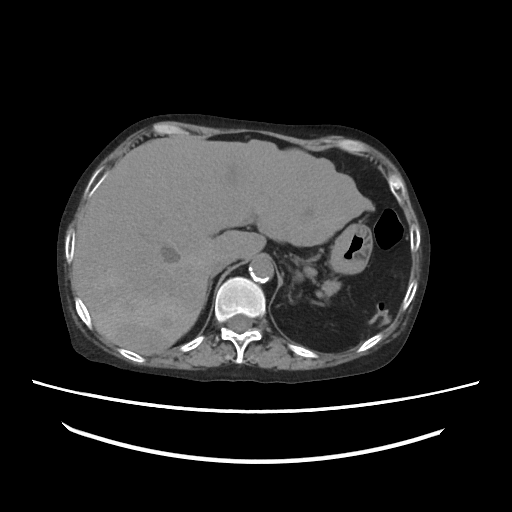

CT, abdomen/pelvis. axial plane, index 69. Aquilion ONE scanner. 15 organs annotated in this scan (a whole-scan count: organs this slice does not pass through have no box)
Coordinates as <box>x1,y1,x2,y2</box> in pixels. Labeled organs on this slice: liver at <box>73,136,374,355</box>, stomach at <box>329,223,372,273</box>, aorta at <box>249,257,273,282</box>, inferior vena cava at <box>207,252,233,275</box>, pancreas at <box>321,279,340,296</box>, right adrenal gland at <box>204,278,212,304</box>, left adrenal gland at <box>289,295,292,302</box>.